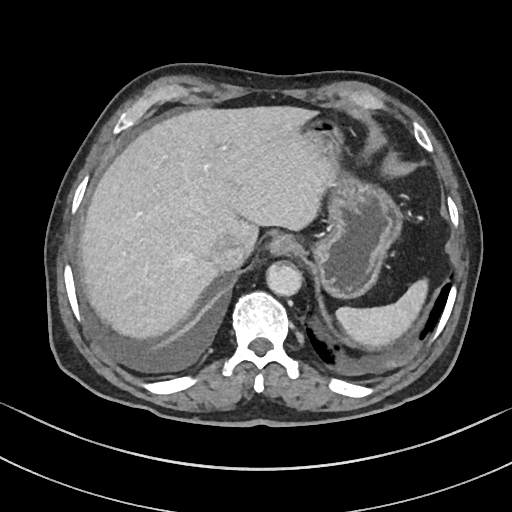 Computed tomography, abdomen. axial view. soft-tissue window (W 400 / L 40)
Each box given as x1,y1,x2,y2.
spleen: x1=337, y1=280, x2=428, y2=348
esophagus: x1=268, y1=236, x2=298, y2=256
liver: x1=81, y1=107, x2=336, y2=336
stomach: x1=305, y1=119, x2=400, y2=297
aorta: x1=267, y1=262, x2=302, y2=297
inferior vena cava: x1=208, y1=236, x2=245, y2=269